Chest-level slice from an abdominal CT that extends up into the chest — axial view — soft-tissue window, W/L 400/40 — scan has 15 labeled organs (a whole-scan count: organs this slice does not pass through have no box)
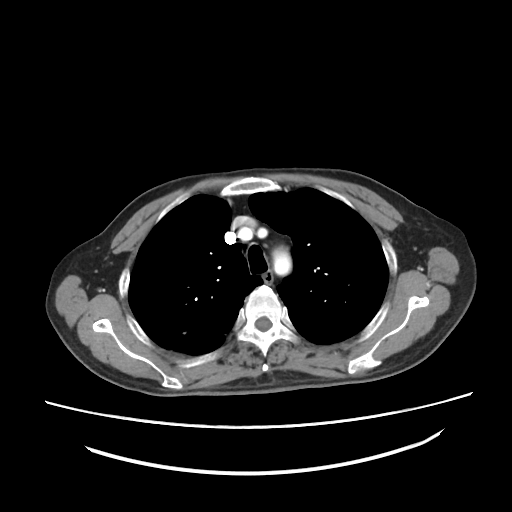
At this level of the chest this dataset labels only the esophagus and the aorta, and each is boxed only where it is labeled; the heart and lungs are never labeled. Box edges are left/top/right/bottom in pixels. Labeled organs on this slice: aorta at left=273, top=249, right=291, bottom=274, esophagus at left=262, top=270, right=273, bottom=283.